CT, abdomen/pelvis — Axial slice 128/175 — 512x512 px — acquired on SOMATOM Force — 15 organs annotated in this scan (counted over the whole 3D scan, not this slice; an organ is boxed only where this slice passes through it)
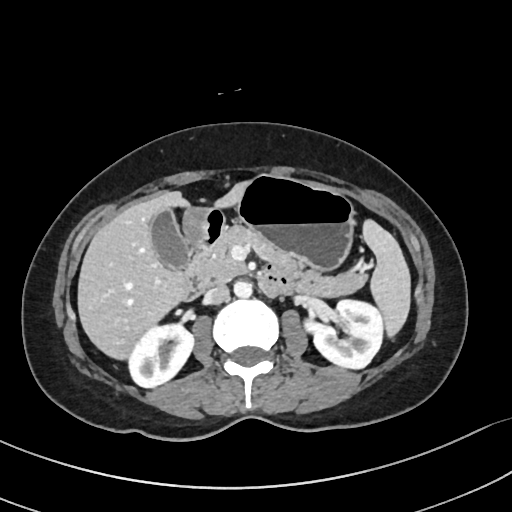
Boxes: x1:y1:x2:y2 in pixels.
Organ bounding boxes:
- spleen: 361:218:411:340
- right kidney: 128:323:194:387
- left kidney: 300:298:382:369
- gall bladder: 148:210:191:270
- liver: 76:179:250:360
- stomach: 183:174:355:272
- aorta: 234:281:253:299
- inferior vena cava: 205:285:229:305
- pancreas: 199:224:368:298
- duodenum: 183:208:288:297